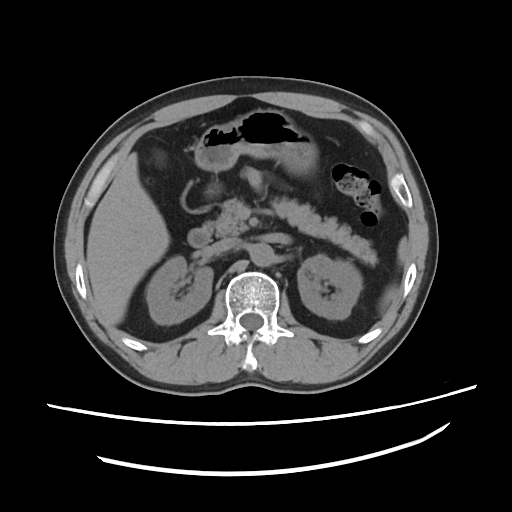 Computed tomography, abdomen · axial view · W/L 400/40 HU · 512x512 px
Box edges are left/top/right/bottom in pixels. Labeled organs on this slice: spleen at left=383, top=238, right=408, bottom=307, stomach at left=195, top=110, right=315, bottom=172, gall bladder at left=155, top=150, right=164, bottom=162, left kidney at left=297, top=254, right=363, bottom=318, liver at left=86, top=152, right=169, bottom=324, aorta at left=251, top=242, right=275, bottom=266, inferior vena cava at left=218, top=238, right=240, bottom=251, duodenum at left=188, top=229, right=211, bottom=248, pancreas at left=201, top=198, right=376, bottom=264, right kidney at left=145, top=257, right=213, bottom=323.